Chest-level CT slice, above the liver and spleen · axial plane, index 122 · soft-tissue window, W/L 400/40 · 512x512 px
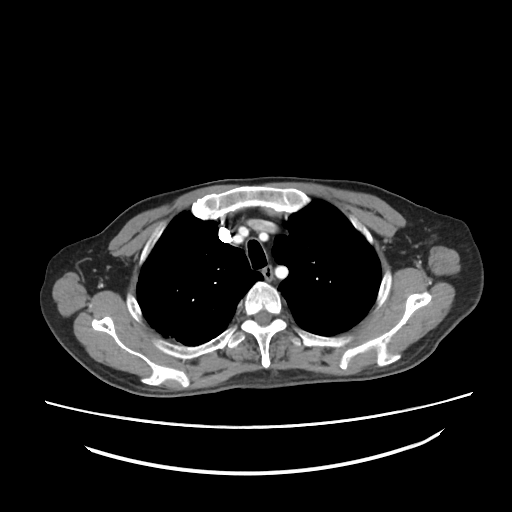

At this level of the chest no structure but the esophagus and the aorta has a label in this dataset, and those two are boxed only where they are labeled.
{"organs":{"esophagus":[261,265,273,280]}}